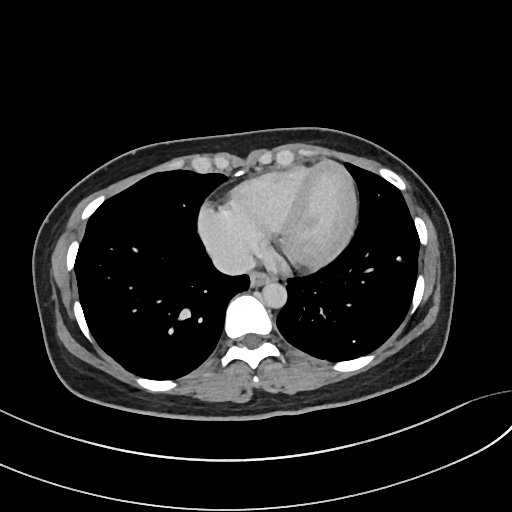

Lower-chest slice from an abdominal CT, just above the liver and spleen — axial view — soft-tissue window, W/L 400/40 — acquired on SOMATOM Force
The heart and lungs are never labeled in this dataset, so they have no box on this slice.
One row per box, in pixels: columns x1 and y1 give the top-left corner, x2 and y2 the bottom-right.
| organ | x1 | y1 | x2 | y2 |
|---|---|---|---|---|
| aorta | 262 | 282 | 287 | 308 |
| inferior vena cava | 212 | 248 | 255 | 274 |
| esophagus | 249 | 272 | 271 | 286 |